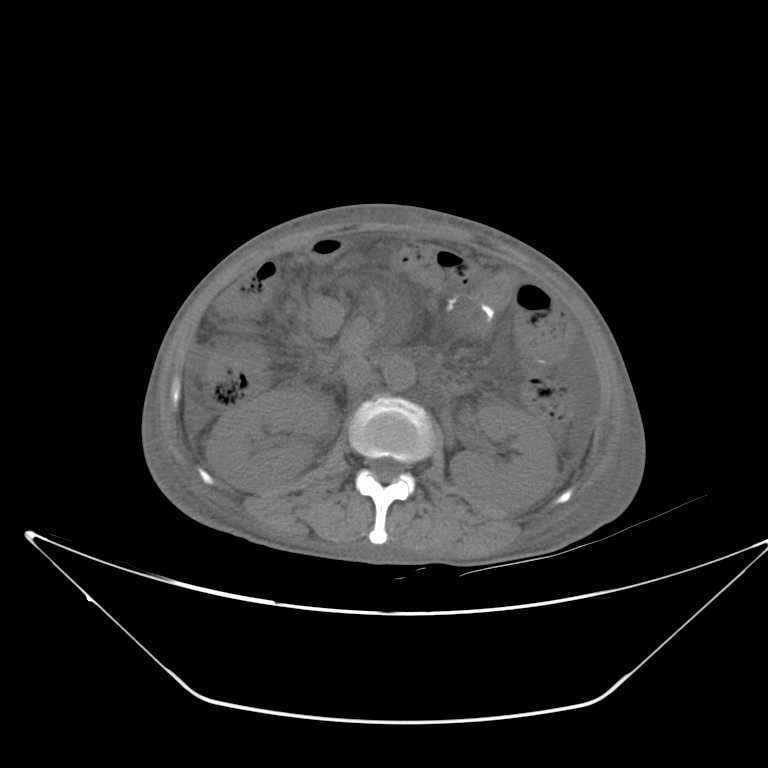

CT abdomen · axial view · soft-tissue window (W 400 / L 40) · acquired on Brilliance16 · 15 organs annotated in this scan (a whole-scan count: organs this slice does not pass through have no box)
{"organs":{"aorta":[383,357,415,390],"duodenum":[309,297,343,338],"pancreas":[342,319,369,354],"inferior vena cava":[342,359,375,398],"right kidney":[206,387,335,490],"stomach":[447,294,492,331],"left kidney":[449,401,557,511]}}